Computed tomography, abdomen — axial view — abdomen soft-tissue window — 512x512 px
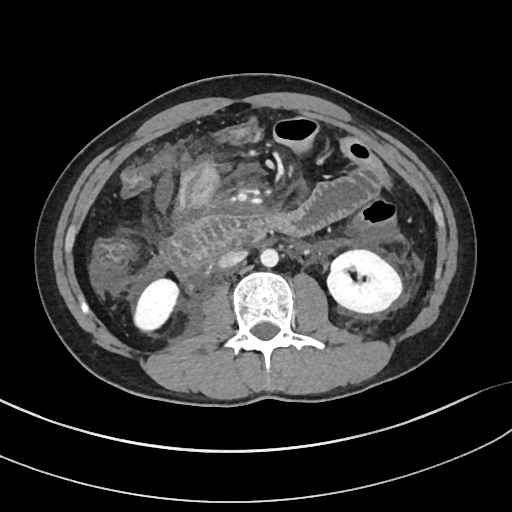
One row per box, in pixels: columns x1 and y1 give the top-left corner, x2 and y2 the bottom-right.
| organ | x1 | y1 | x2 | y2 |
|---|---|---|---|---|
| inferior vena cava | 218 | 250 | 246 | 268 |
| duodenum | 167 | 217 | 266 | 276 |
| left kidney | 326 | 249 | 402 | 313 |
| right kidney | 133 | 278 | 179 | 330 |
| aorta | 260 | 248 | 278 | 267 |